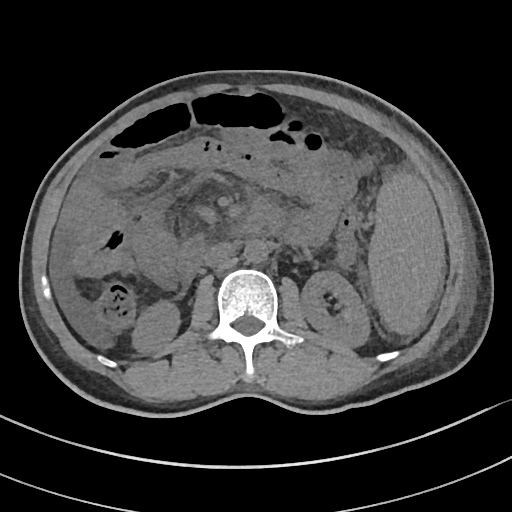

Computed tomography, abdomen — axial view — 15 organs annotated in this scan (a whole-scan count: organs this slice does not pass through have no box)
Organ boxes in pixel coordinates; each row gives the top-left (x1, y1) and bottom-right (x2, y2) corners.
| organ | x1 | y1 | x2 | y2 |
|---|---|---|---|---|
| aorta | 244 | 240 | 268 | 264 |
| left kidney | 299 | 270 | 371 | 347 |
| duodenum | 178 | 231 | 204 | 282 |
| inferior vena cava | 203 | 242 | 235 | 268 |
| spleen | 368 | 176 | 444 | 335 |
| right kidney | 130 | 300 | 181 | 355 |